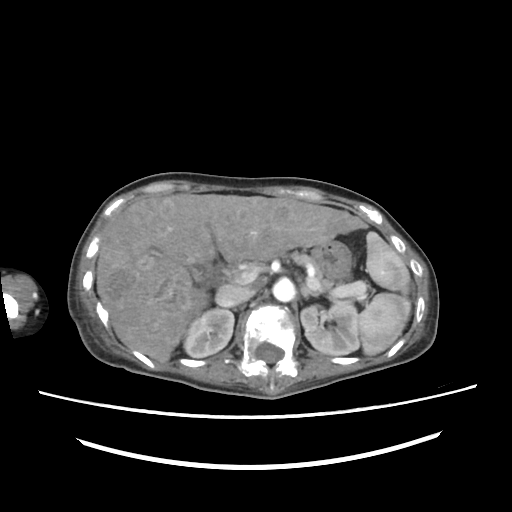

Abdominal CT — axial view — abdomen soft-tissue window — scan has 15 labeled organs (a whole-scan count: organs this slice does not pass through have no box)
Box edges are left/top/right/bottom in pixels.
Organ bounding boxes:
- stomach: left=311, top=239, right=352, bottom=279
- spleen: left=358, top=231, right=410, bottom=355
- duodenum: left=203, top=265, right=231, bottom=280
- left adrenal gland: left=300, top=284, right=318, bottom=297
- gall bladder: left=192, top=267, right=203, bottom=280
- inferior vena cava: left=216, top=284, right=253, bottom=306
- pancreas: left=291, top=252, right=339, bottom=290
- left kidney: left=300, top=300, right=359, bottom=355
- aorta: left=272, top=278, right=295, bottom=301
- right kidney: left=183, top=308, right=234, bottom=357
- liver: left=96, top=193, right=365, bottom=362